Lower-chest slice from an abdominal CT, just above the liver and spleen · axial plane, index 347 · soft-tissue window (W 400 / L 40) · 512x512 px
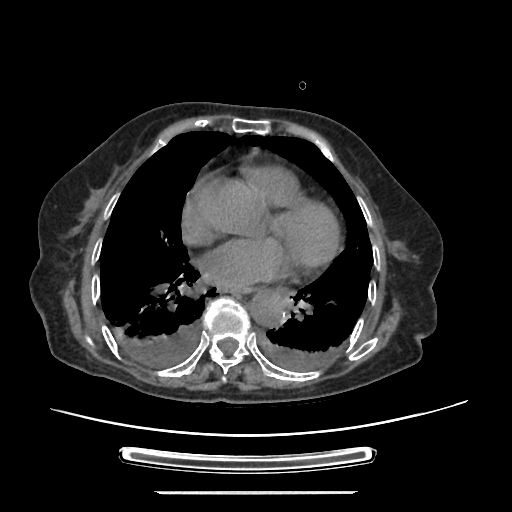

The heart and lungs are never labeled in this dataset, so they have no box on this slice. Each box given as x1,y1,x2,y2. Labeled organs on this slice: esophagus at x1=230, y1=285, x2=250, y2=293, aorta at x1=249, y1=288, x2=287, y2=327.